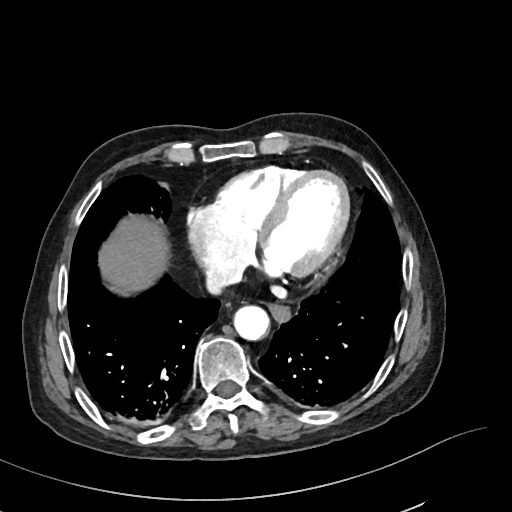 Computed tomography, abdomen · Axial slice 217/235
{"organs":{"aorta":[233,305,269,340],"esophagus":[269,304,290,322],"inferior vena cava":[206,267,235,294],"liver":[98,215,169,295]}}